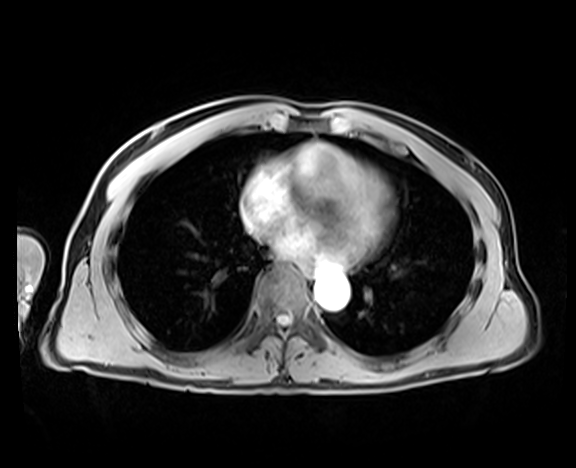 Lower-chest slice from an abdominal MRI, just above the liver and spleen. axial view. percentile-normalized. acquired on Prisma
The heart and lungs are never labeled in this dataset, so they have no box on this slice.
Boxes are (x1, y1, x2, y2) in pixels.
aorta: (314, 273, 350, 310)
esophagus: (300, 265, 312, 277)